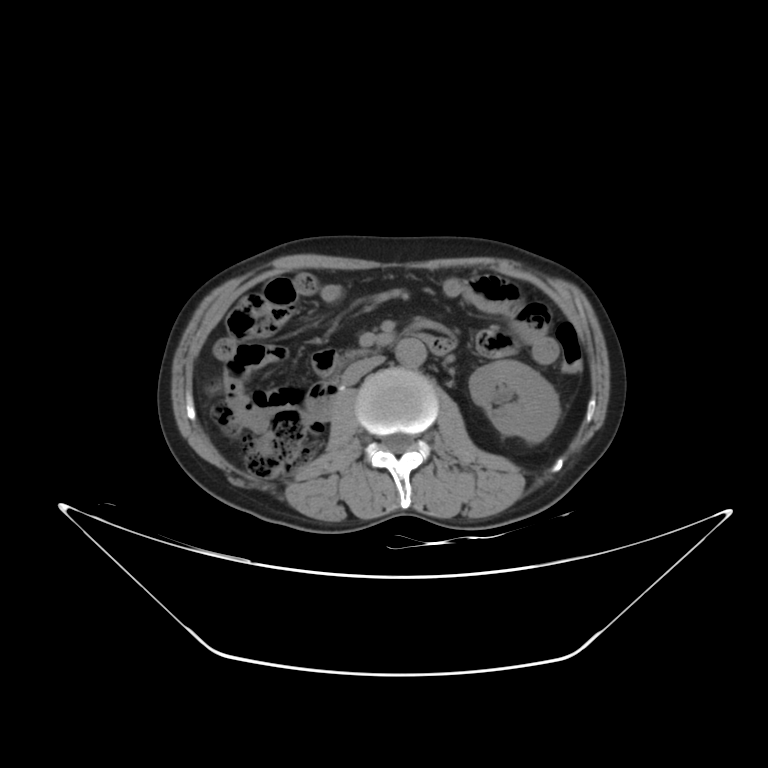

CT abdomen. Axial slice 61/100. abdomen soft-tissue window. 768x768 px. Brilliance16 scanner. scan has 14 labeled organs (that count is for the whole scan; organs this slice misses have no box)
{"organs":{"inferior vena cava":[342,355,384,385],"left kidney":[469,360,559,442],"aorta":[395,338,426,367],"duodenum":[309,334,454,420]}}